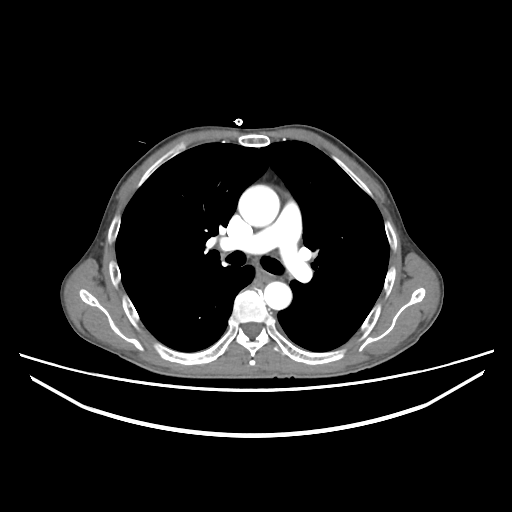
Abdominal CT reaching into the chest; this slice is in the chest · axial plane, index 94 · W/L 400/40 HU · Aquilion ONE scanner · 14 organs annotated in this scan (counted over the whole 3D scan, not this slice; an organ is boxed only where this slice passes through it)
At this level of the chest no structure but the esophagus and the aorta has a label in this dataset, and those two are boxed only where they are labeled.
<organs><organ name="aorta" x1="238" y1="185" x2="279" y2="226"/><organ name="aorta" x1="264" y1="281" x2="291" y2="309"/><organ name="esophagus" x1="256" y1="268" x2="274" y2="282"/></organs>